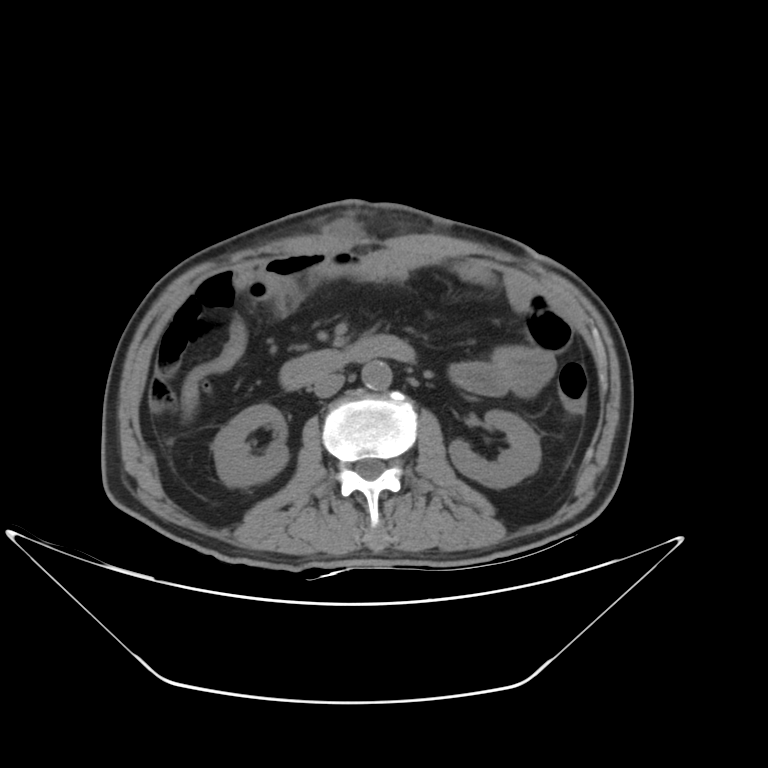
CT, abdomen/pelvis — axial plane, index 59 — W/L 400/40 HU — 15 organs annotated in this scan (that count is for the whole scan; organs this slice misses have no box)
Organ boxes in pixel coordinates; each row gives the top-left (x1, y1) and bottom-right (x2, y2) corners.
| organ | x1 | y1 | x2 | y2 |
|---|---|---|---|---|
| left kidney | 449 | 409 | 541 | 487 |
| duodenum | 280 | 334 | 415 | 389 |
| inferior vena cava | 313 | 374 | 344 | 397 |
| aorta | 361 | 361 | 392 | 389 |
| right kidney | 212 | 404 | 288 | 486 |